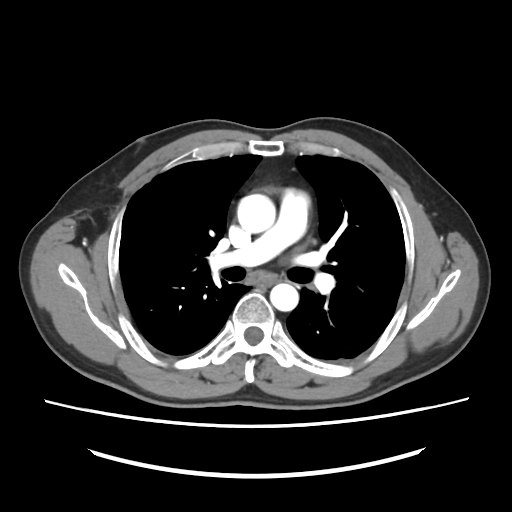
Chest-level slice from an abdominal CT that extends up into the chest · axial plane, index 109 · 15 organs annotated in this scan (a whole-scan count: organs this slice does not pass through have no box)
At this level of the chest no structure but the esophagus and the aorta has a label in this dataset, and those two are boxed only where they are labeled.
{"organs":{"esophagus":[259,278,276,287],"aorta":[[237,194,275,233],[270,283,298,311]]}}